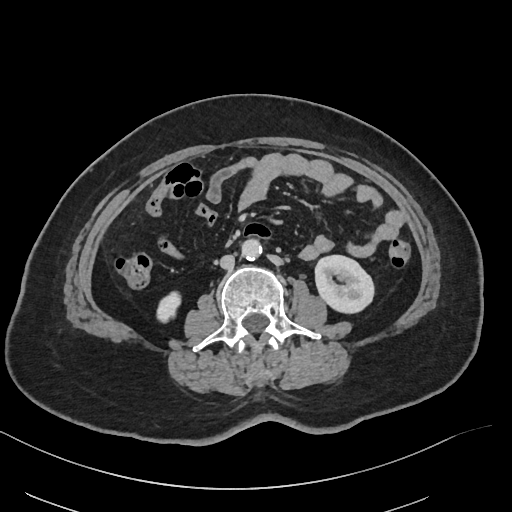 Computed tomography, abdomen. axial view. soft-tissue window (W 400 / L 40)
{"organs":{"right kidney":[156,291,180,320],"left kidney":[315,255,374,314],"aorta":[241,240,262,260],"inferior vena cava":[220,255,235,270]}}